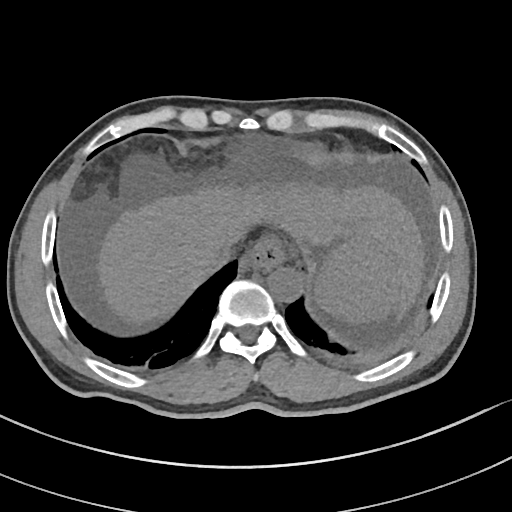

CT, abdomen/pelvis · Axial slice 185/206 · W/L 400/40 HU · scan has 15 labeled organs (that count is for the whole scan; organs this slice misses have no box)
Bounding boxes as [x1, y1, x2, y2] in pixel coordinates.
liver: [97, 184, 423, 326]
spleen: [315, 235, 403, 324]
aorta: [268, 267, 302, 302]
esophagus: [243, 239, 286, 269]
inferior vena cava: [208, 242, 235, 269]